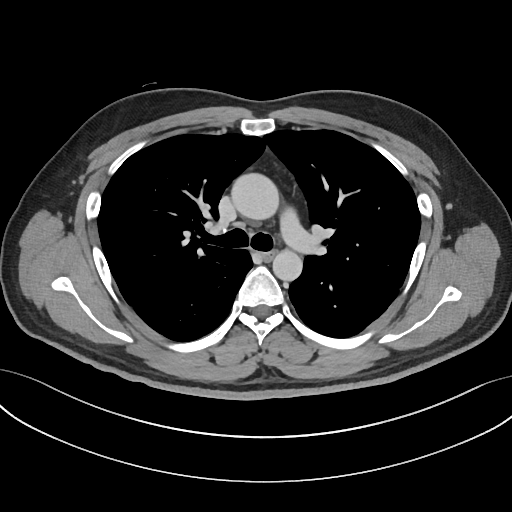 Chest-level slice from an abdominal CT that extends up into the chest. axial view. soft-tissue window, W/L 400/40. SOMATOM Force scanner
On a slice this high in the chest, this dataset labels only the esophagus and the aorta, and each is boxed only where it is labeled; the heart, lungs and other chest structures are not labeled.
One row per box, in pixels: columns x1 and y1 give the top-left corner, x2 and y2 the bottom-right.
| organ | x1 | y1 | x2 | y2 |
|---|---|---|---|---|
| aorta | 231 | 173 | 278 | 219 |
| aorta | 272 | 250 | 302 | 280 |
| esophagus | 262 | 250 | 274 | 260 |